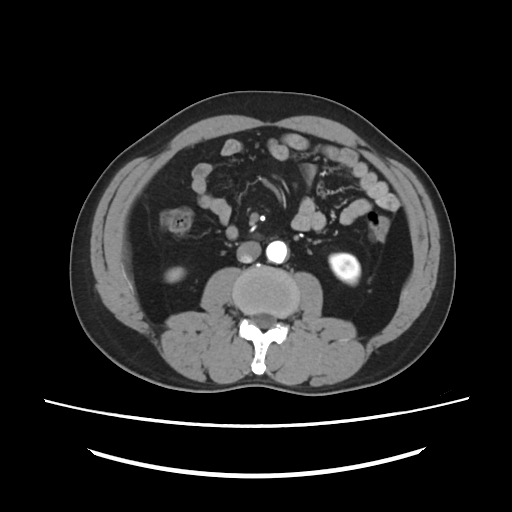 Abdominal CT. axial view
{"organs":{"aorta":[266,240,287,263],"right kidney":[165,267,184,282],"left kidney":[329,253,359,283],"inferior vena cava":[236,241,261,263]}}